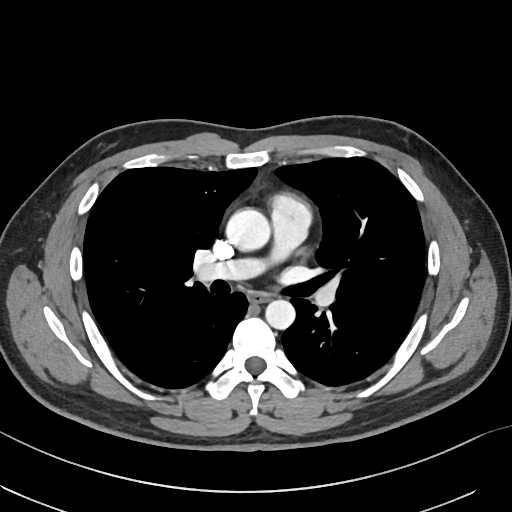
Abdominal CT reaching into the chest; this slice is in the chest. axial view. 512x512 px. SOMATOM Force scanner. 15 organs annotated in this scan (that count is for the whole scan; organs this slice misses have no box)
At this level of the chest no structure but the esophagus and the aorta has a label in this dataset, and those two are boxed only where they are labeled.
Bounding boxes as [x1, y1, x2, y2] in pixel coordinates.
esophagus: [248, 291, 271, 303]
aorta: [225, 208, 269, 250]
aorta: [265, 299, 295, 329]